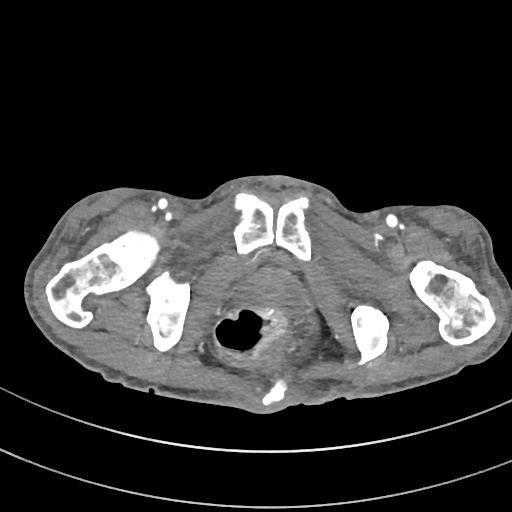 CT, abdomen/pelvis — Axial slice 6/218 — abdomen soft-tissue window — 512x512 px
One row per box, in pixels: columns x1 and y1 give the top-left corner, x2 and y2 the bottom-right.
| organ | x1 | y1 | x2 | y2 |
|---|---|---|---|---|
| prostate/uterus | 232 | 269 | 305 | 310 |